Computed tomography, abdomen · axial plane, index 177 · W/L 400/40 HU · 512x512 px · 15 organs annotated in this scan (that count is for the whole scan; organs this slice misses have no box)
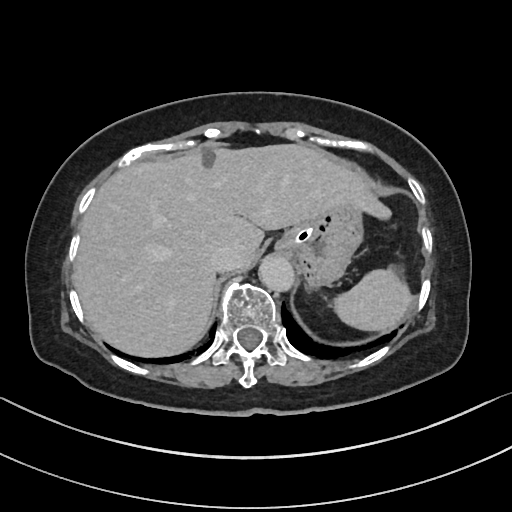 Boxes are (x1, y1, x2, y2) in pixels. Labeled organs on this slice: liver at (73, 144, 390, 355), aorta at (260, 256, 295, 292), spleen at (335, 270, 412, 330), inferior vena cava at (210, 244, 239, 272), stomach at (274, 206, 364, 289).